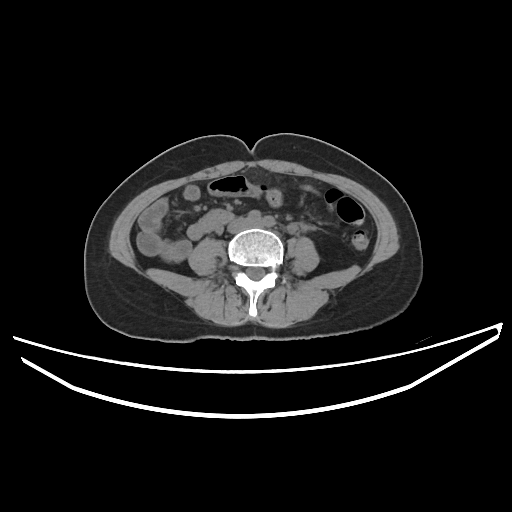

CT abdomen — axial view — soft-tissue window — 512x512 px
Each box given as x1,y1,x2,y2.
inferior vena cava: x1=227, y1=218, x2=249, y2=233